CT, abdomen/pelvis; Axial slice 215/234; 512x512 px; 15 organs annotated in this scan (counted over the whole 3D scan, not this slice; an organ is boxed only where this slice passes through it)
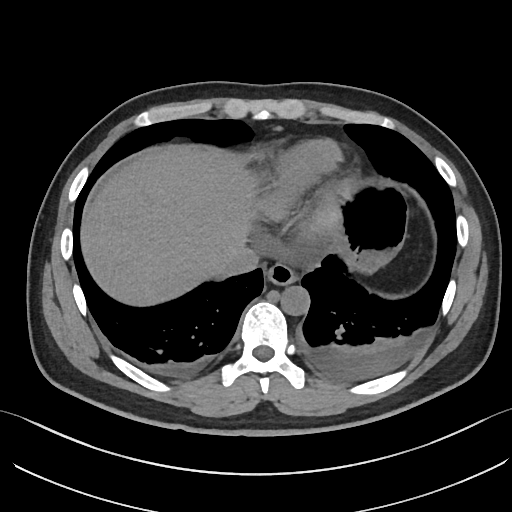

Boxes: x1:y1:x2:y2 in pixels.
Organ bounding boxes:
- esophagus: 266:264:296:285
- inferior vena cava: 223:246:259:274
- liver: 83:146:341:306
- stomach: 341:188:407:267
- aorta: 280:286:310:315